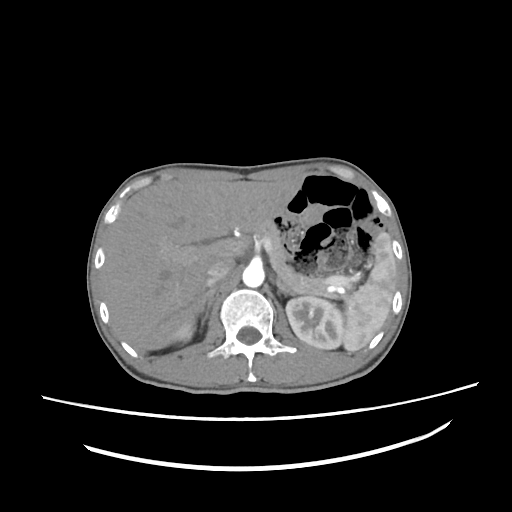

Computed tomography, abdomen; Axial slice 72/133
{"organs":{"spleen":[342,232,395,351],"right kidney":[174,325,194,341],"left kidney":[286,296,344,349],"liver":[102,178,302,351],"aorta":[242,264,264,287],"inferior vena cava":[206,259,234,286],"pancreas":[253,221,329,295],"right adrenal gland":[200,288,216,330],"left adrenal gland":[276,278,295,295]}}